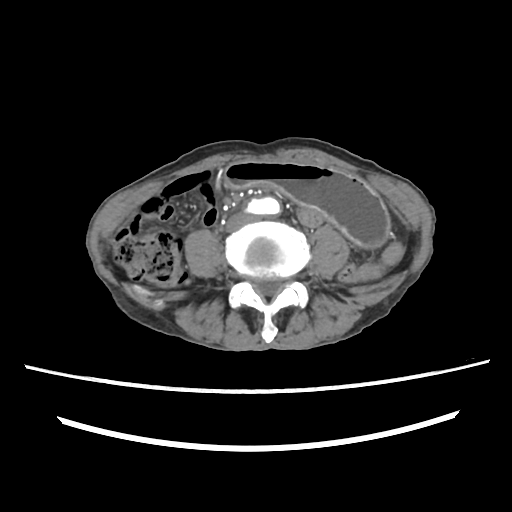

CT abdomen. axial plane, index 40. soft-tissue window (W 400 / L 40)
<organs><organ name="stomach" x1="223" y1="162" x2="391" y2="246"/></organs>